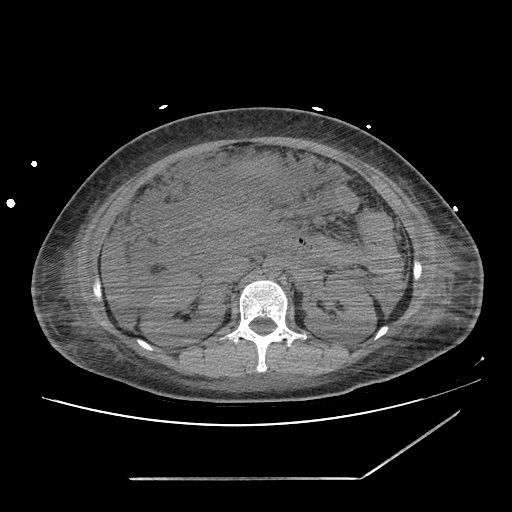

CT abdomen. Axial slice 116/191. 512x512 px
Coordinates as <box>x1,y1,x2,y2</box> in pixels. 8 labeled organs on this slice — right kidney at <box>142,270,226,347</box>; left kidney at <box>301,274,375,341</box>; liver at <box>102,239,135,327</box>; stomach at <box>229,156,274,176</box>; aorta at <box>263,259,282,276</box>; inferior vena cava at <box>217,255,249,282</box>; pancreas at <box>206,211,277,238</box>; duodenum at <box>160,218,273,265</box>.